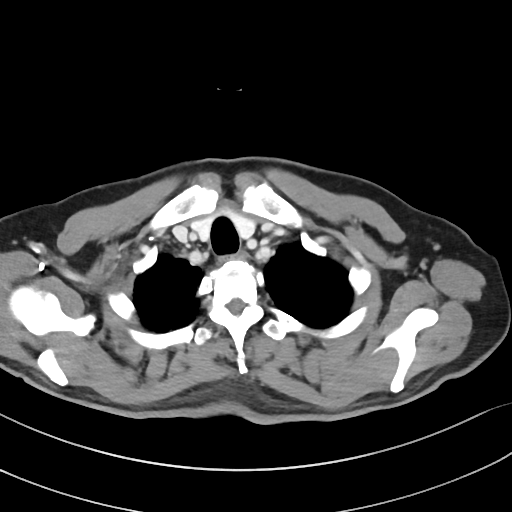
Abdominal CT reaching into the chest; this slice is in the chest; axial view
At this level of the chest no structure but the esophagus and the aorta has a label in this dataset, and those two are boxed only where they are labeled.
Boxes: x1 y1 x2 y2 (pixel coords, space-separated).
Organ bounding boxes:
- esophagus: 220 252 246 261